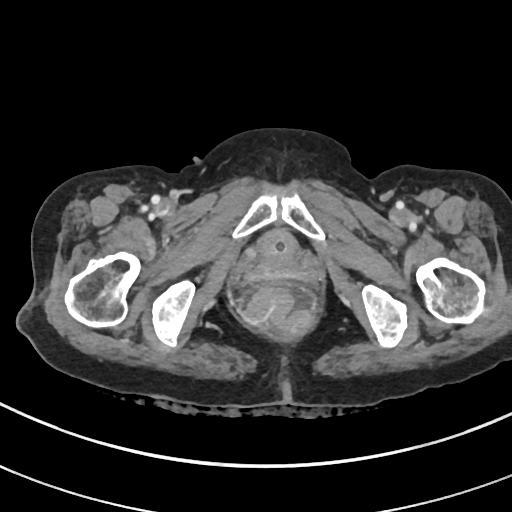
CT abdomen; axial plane, index 4; scan has 15 labeled organs (that count is for the whole scan; organs this slice misses have no box)
<organs><organ name="bladder" x1="256" y1="229" x2="299" y2="259"/></organs>